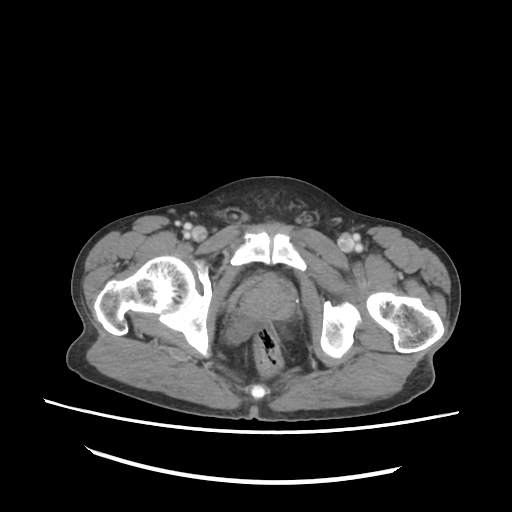

CT abdomen. Axial slice 7/112
Boxes: x1 y1 x2 y2 (pixel coords, space-separated). 1 labeled organ on this slice — prostate/uterus at 242 276 292 320.